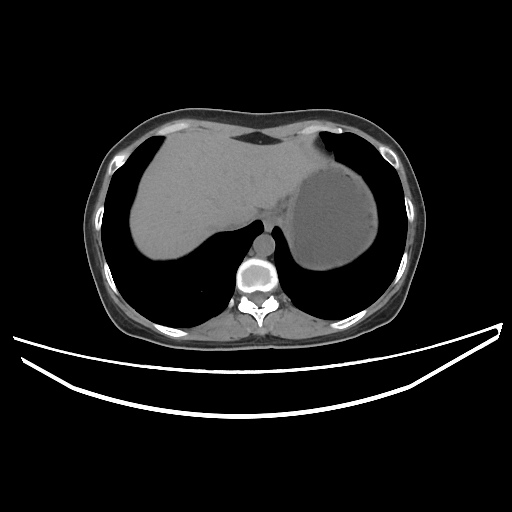 Abdominal CT — axial view — abdomen soft-tissue window — 512x512 px
Bounding boxes in pixels, one row per box: x1, y1 is the top-left corner and x2, y2 the bottom-right.
| organ | x1 | y1 | x2 | y2 |
|---|---|---|---|---|
| esophagus | 262 | 213 | 277 | 231 |
| liver | 130 | 130 | 327 | 259 |
| stomach | 279 | 162 | 376 | 269 |
| aorta | 253 | 234 | 274 | 256 |
| inferior vena cava | 223 | 220 | 246 | 229 |